Computed tomography, abdomen — axial view — soft-tissue window
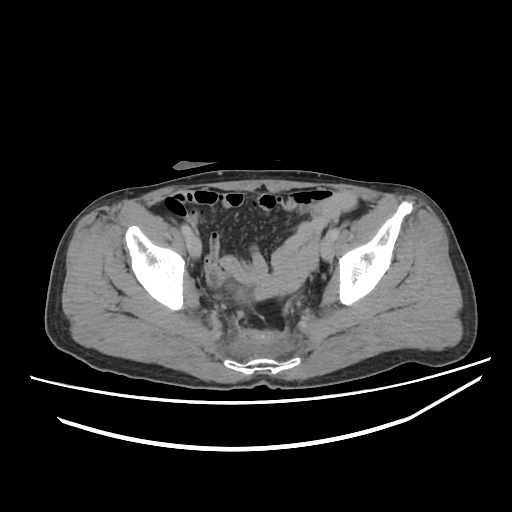

{"organs":{"bladder":[235,290,244,299]}}